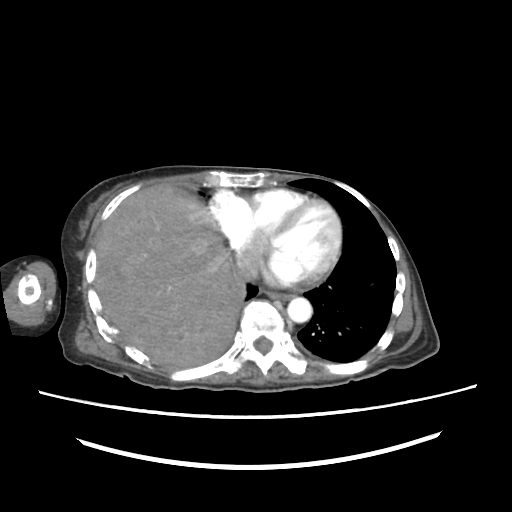
CT abdomen. axial view. W/L 400/40 HU. 48-year-old female patient
Bounding boxes as [x1, y1, x2, y2] in pixel coordinates. The annotated organs in this slice are: inferior vena cava at [234, 253, 258, 281], liver at [95, 185, 244, 367], esophagus at [265, 290, 295, 299], aorta at [287, 297, 312, 322].